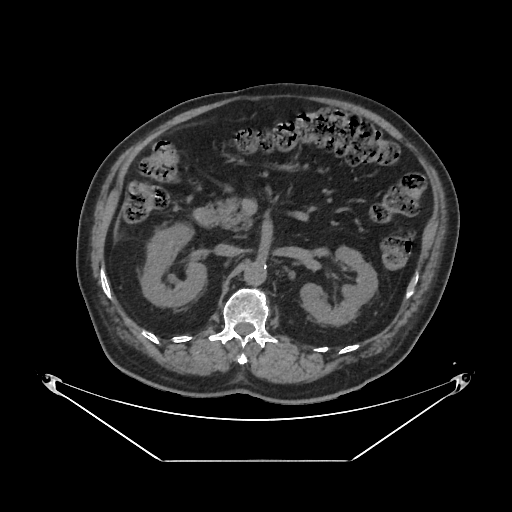
CT, abdomen/pelvis — Axial slice 234/353 — 512x512 px
{"organs":{"right kidney":[141,224,206,307],"left kidney":[300,246,377,326],"liver":[113,216,120,244],"aorta":[244,262,267,286],"inferior vena cava":[214,243,240,257],"pancreas":[215,196,252,228],"duodenum":[192,204,215,226]}}